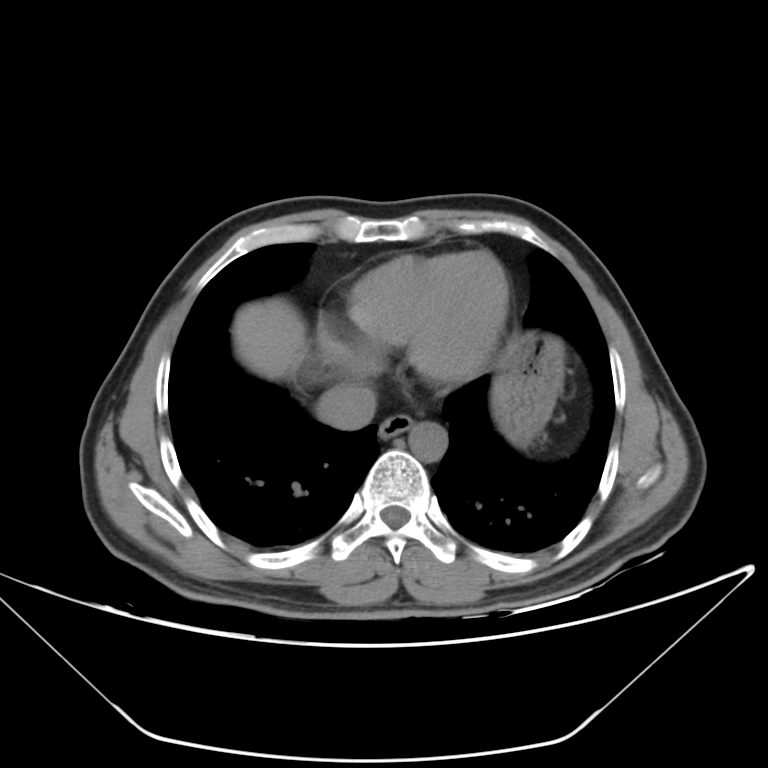 Computed tomography, abdomen; axial view; W/L 400/40 HU
Each box given as x1,y1,x2,y2.
Organ bounding boxes:
- liver: x1=232, y1=297, x2=308, y2=380
- aorta: x1=409, y1=422, x2=447, y2=461
- esophagus: x1=378, y1=414, x2=412, y2=438
- inferior vena cava: x1=316, y1=384, x2=376, y2=429
- stomach: x1=493, y1=332, x2=564, y2=445